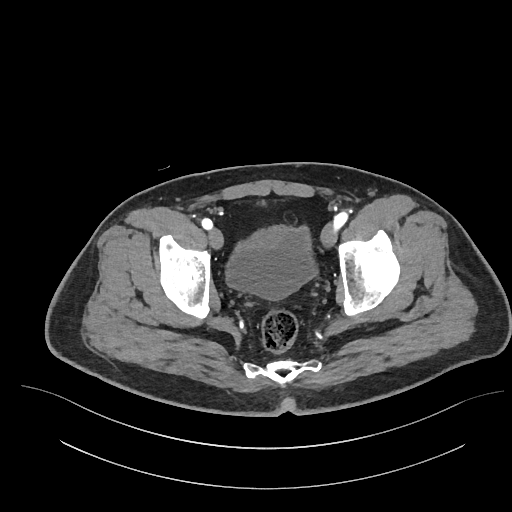
Abdominal CT; axial view
Boxes: x1 y1 x2 y2 (pixel coords, space-separated).
Organ bounding boxes:
- bladder: 227 225 316 300